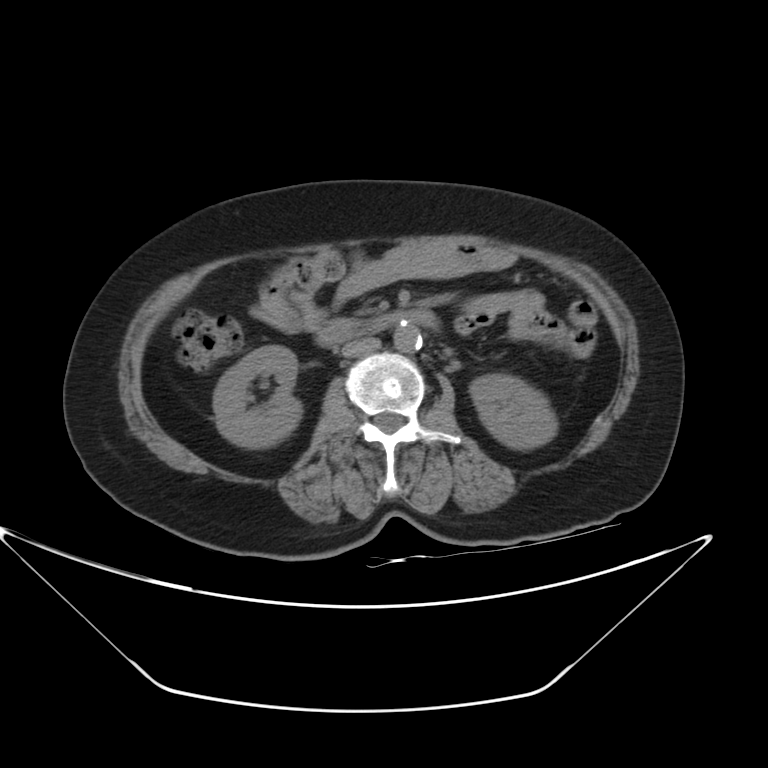 CT abdomen — axial view — soft-tissue window — 768x768 px
Organ boxes in pixel coordinates; each row gives the top-left (x1, y1) and bottom-right (x2, y2) corners.
| organ | x1 | y1 | x2 | y2 |
|---|---|---|---|---|
| aorta | 393 | 322 | 422 | 352 |
| duodenum | 315 | 310 | 437 | 347 |
| right kidney | 213 | 345 | 301 | 448 |
| inferior vena cava | 341 | 337 | 380 | 357 |
| left kidney | 470 | 373 | 557 | 449 |